CT abdomen — Axial slice 175/206 — acquired on SOMATOM Force
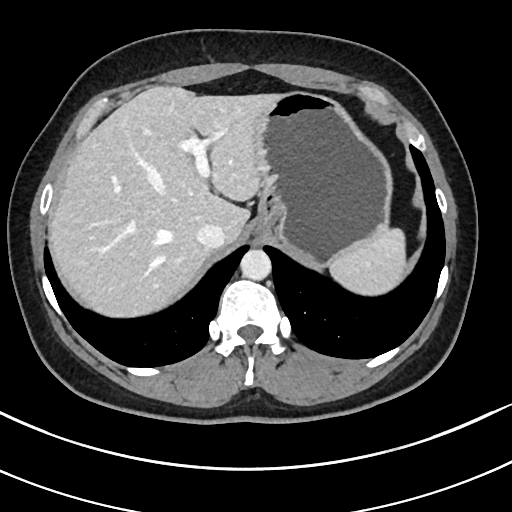 Each box given as x1,y1,x2,y2.
spleen: x1=328, y1=229, x2=406, y2=295
liver: x1=49, y1=86, x2=279, y2=317
stomach: x1=254, y1=91, x2=392, y2=266
aorta: x1=240, y1=249, x2=271, y2=280
inferior vena cava: x1=196, y1=223, x2=225, y2=249